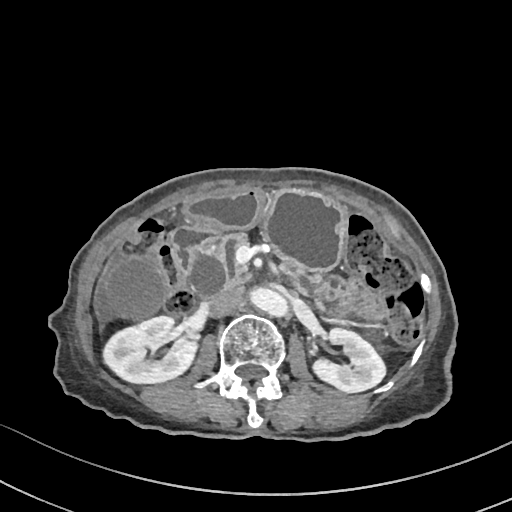
Computed tomography, abdomen · axial view · acquired on SOMATOM Force
Box edges are left/top/right/bottom in pixels. 8 labeled organs on this slice — left kidney at left=314, top=329, right=384, bottom=392; right kidney at left=101, top=316, right=195, bottom=383; duodenum at left=172, top=225, right=220, bottom=272; pancreas at left=206, top=231, right=324, bottom=295; inferior vena cava at left=208, top=288, right=242, bottom=316; gall bladder at left=104, top=258, right=165, bottom=319; stomach at left=186, top=190, right=345, bottom=271; aorta at left=247, top=287, right=288, bottom=318.